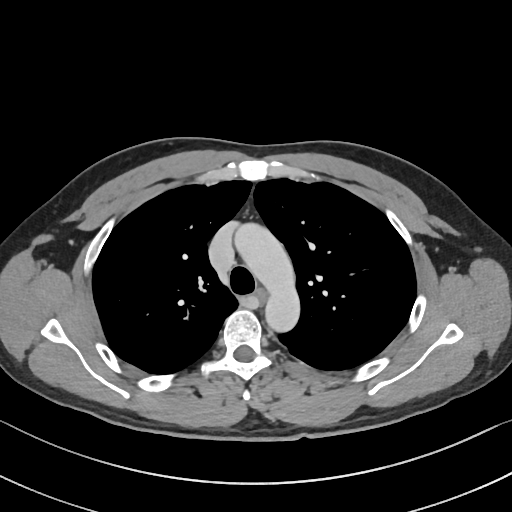
CT of the abdomen extending into the chest, slice through the chest — axial view — soft-tissue window, W/L 400/40
On a slice this high in the chest, this dataset labels only the esophagus and the aorta, and each is boxed only where it is labeled; the heart, lungs and other chest structures are not labeled. Bounding boxes as [x1, y1, x2, y2] in pixel coordinates. Labeled organs on this slice: esophagus at [255, 289, 266, 301], aorta at [235, 224, 299, 329].